Abdominal CT — axial view — soft-tissue window (W 400 / L 40) — 512x512 px
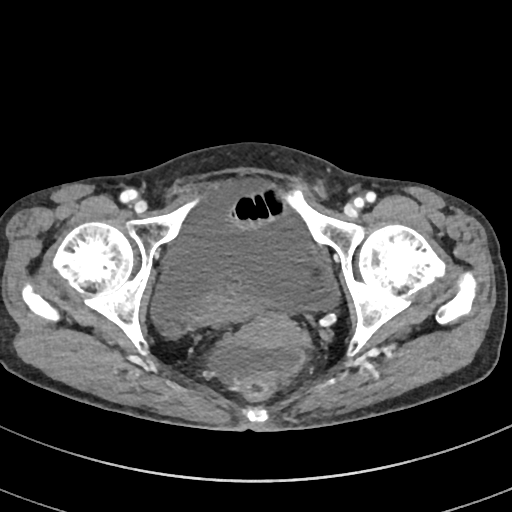 Bounding boxes as [x1, y1, x2, y2] in pixel coordinates.
bladder: [174, 273, 278, 333]
prostate/uterus: [241, 311, 302, 348]